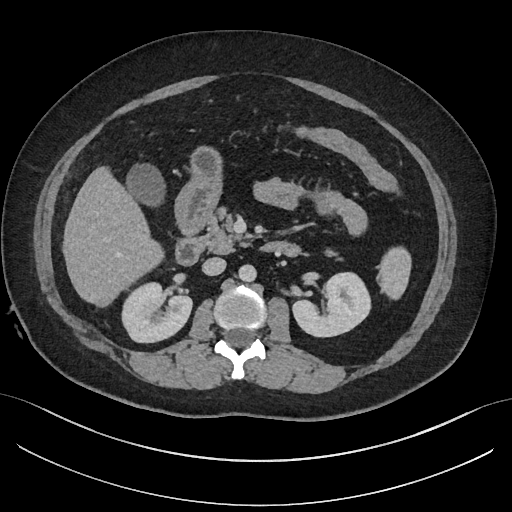

Computed tomography, abdomen — axial view — soft-tissue window — scan has 15 labeled organs (counted over the whole 3D scan, not this slice; an organ is boxed only where this slice passes through it)
Coordinates as <box>x1,y1,x2,y2</box> in pixels.
Organ bounding boxes:
- spleen: <box>377,246,411,299</box>
- right kidney: <box>121,282,191,342</box>
- left kidney: <box>292,272,371,336</box>
- gall bladder: <box>126,164,165,206</box>
- liver: <box>62,166,164,306</box>
- stomach: <box>175,147,222,237</box>
- aorta: <box>238,264,256,281</box>
- inferior vena cava: <box>202,257,225,275</box>
- pancreas: <box>202,208,341,259</box>
- duodenum: <box>175,237,298,265</box>